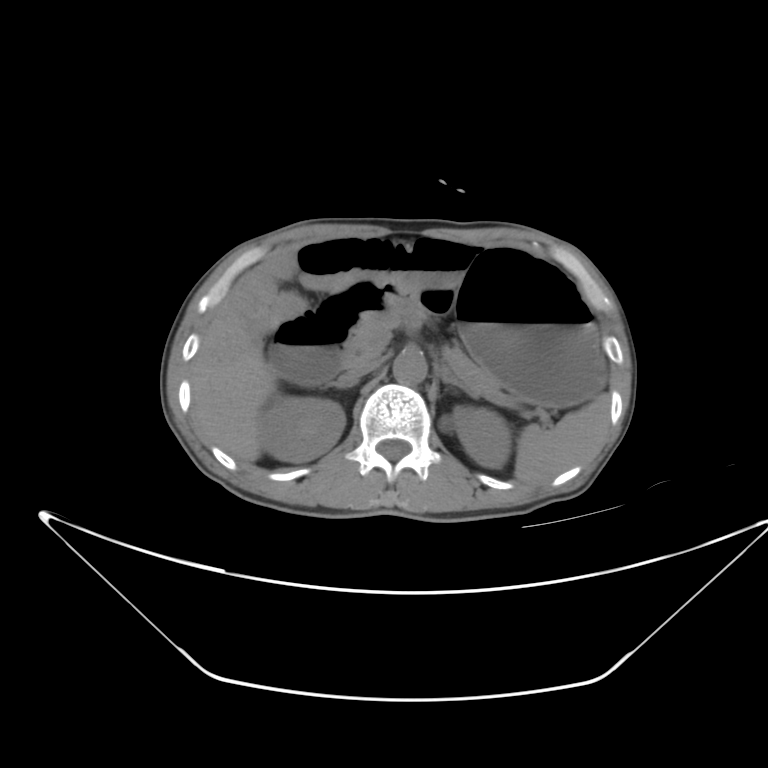
Abdominal CT · Axial slice 65/96
Bounding boxes in pixels, one row per box: x1, y1 is the top-left corner and x2, y2 the bottom-right.
| organ | x1 | y1 | x2 | y2 |
|---|---|---|---|---|
| spleen | 516 | 394 | 612 | 480 |
| right kidney | 255 | 396 | 342 | 461 |
| left kidney | 438 | 406 | 510 | 468 |
| liver | 194 | 301 | 332 | 463 |
| stomach | 379 | 255 | 606 | 410 |
| aorta | 394 | 353 | 427 | 384 |
| inferior vena cava | 339 | 356 | 387 | 380 |
| pancreas | 345 | 311 | 501 | 391 |
| right adrenal gland | 314 | 382 | 345 | 391 |
| left adrenal gland | 442 | 366 | 474 | 400 |
| duodenum | 264 | 281 | 383 | 385 |